CT, abdomen/pelvis · axial view
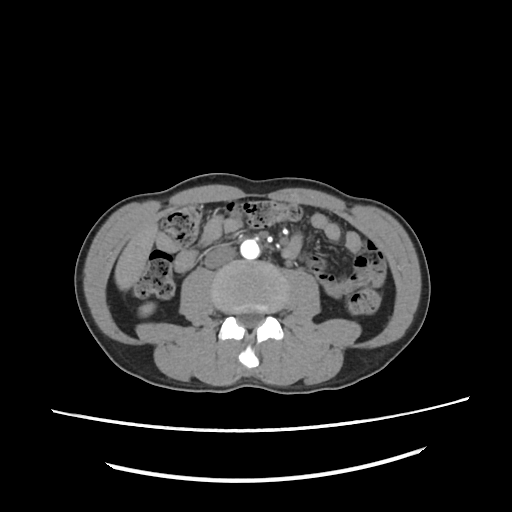

<organs><organ name="right kidney" x1="140" y1="301" x2="154" y2="316"/><organ name="liver" x1="115" y1="204" x2="158" y2="289"/><organ name="aorta" x1="239" y1="240" x2="259" y2="260"/><organ name="inferior vena cava" x1="205" y1="244" x2="236" y2="268"/></organs>